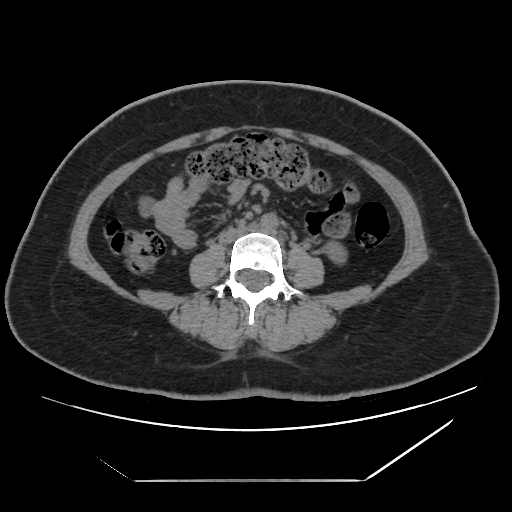

Abdominal CT — axial view — acquired on SOMATOM Force
Bounding boxes as [x1, y1, x2, y2] in pixel coordinates. Labeled organs on this slice: aorta at [260, 213, 278, 232], inferior vena cava at [219, 225, 252, 243], left kidney at [324, 241, 346, 264].